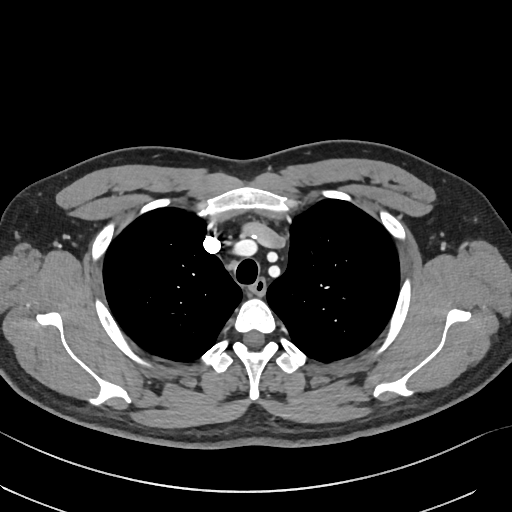
CT of the abdomen extending into the chest, slice through the chest — axial view — 512x512 px — SOMATOM Force scanner — scan has 15 labeled organs (that count is for the whole scan; organs this slice misses have no box)
At this level of the chest this dataset labels only the esophagus and the aorta, and each is boxed only where it is labeled; the heart and lungs are never labeled.
Coordinates as <box>x1,y1,x2,y2</box> in pixels.
esophagus: <box>249,279,266,295</box>